CT, abdomen/pelvis · axial plane, index 56 · 54-year-old male patient
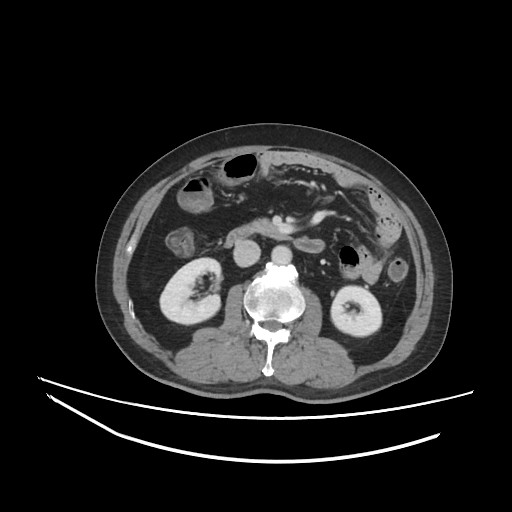

{"organs":{"right kidney":[160,257,221,324],"left kidney":[331,286,381,336],"aorta":[271,245,292,264],"inferior vena cava":[233,240,260,266],"pancreas":[250,218,286,239],"duodenum":[225,226,324,252]}}